Abdominal CT. axial view. abdomen soft-tissue window. 40-year-old male patient. 15 organs annotated in this scan (that count is for the whole scan; organs this slice misses have no box)
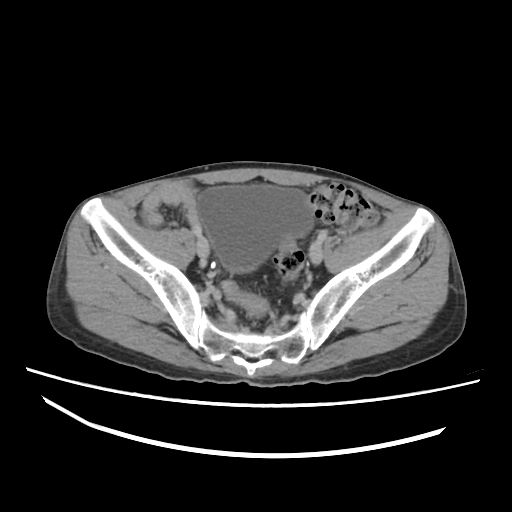

Coordinates as <box>x1,y1,x2,y2</box> in pixels.
Organ bounding boxes:
- bladder: <box>198,184,316,273</box>